Abdominal CT — axial view — soft-tissue window (W 400 / L 40) — 512x512 px
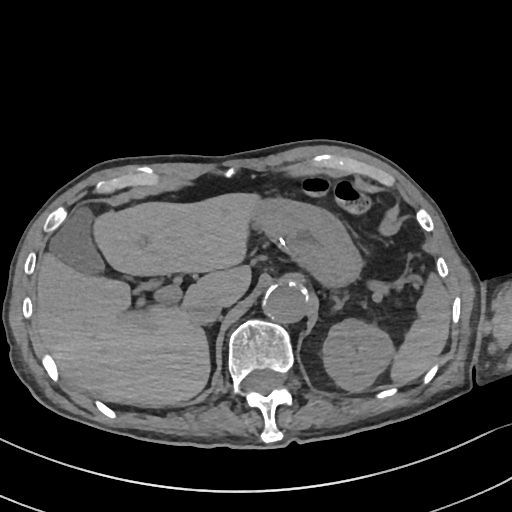

Box edges are left/top/right/bottom in pixels.
Organ bounding boxes:
- gall bladder: left=49, top=207, right=105, bottom=276
- left kidney: left=322, top=318, right=396, bottom=392
- left adrenal gland: left=331, top=294, right=345, bottom=310
- inferior vena cava: left=189, top=295, right=223, bottom=325
- spleen: left=392, top=274, right=450, bottom=384
- stomach: left=248, top=199, right=361, bottom=285
- aorta: left=263, top=281, right=307, bottom=322
- liver: left=35, top=192, right=257, bottom=405